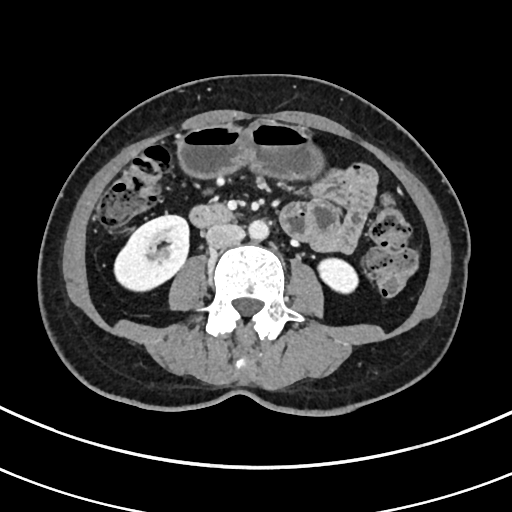
Computed tomography, abdomen. axial plane, index 102. W/L 400/40 HU
<organs><organ name="right kidney" x1="113" y1="215" x2="189" y2="291"/><organ name="inferior vena cava" x1="205" y1="224" x2="244" y2="247"/><organ name="left kidney" x1="318" y1="256" x2="358" y2="293"/><organ name="aorta" x1="248" y1="219" x2="269" y2="240"/><organ name="stomach" x1="176" y1="120" x2="324" y2="179"/><organ name="duodenum" x1="188" y1="204" x2="235" y2="228"/></organs>